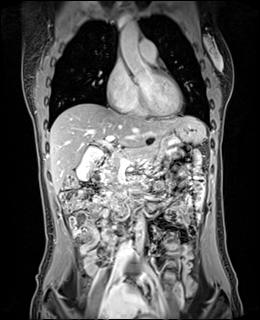

Abdominal MRI; Coronal slice 84/144; scan has 13 labeled organs (a whole-scan count: organs this slice does not pass through have no box)
One row per box, in pixels: columns x1 and y1 give the top-left corner, x2 and y2 the bottom-right.
| organ | x1 | y1 | x2 | y2 |
|---|---|---|---|---|
| gall bladder | 76 | 146 | 102 | 180 |
| liver | 49 | 103 | 205 | 193 |
| stomach | 175 | 123 | 203 | 143 |
| aorta | 119 | 22 | 152 | 78 |
| aorta | 135 | 216 | 144 | 250 |
| inferior vena cava | 126 | 235 | 127 | 236 |
| pancreas | 101 | 144 | 157 | 184 |
| duodenum | 100 | 156 | 142 | 196 |